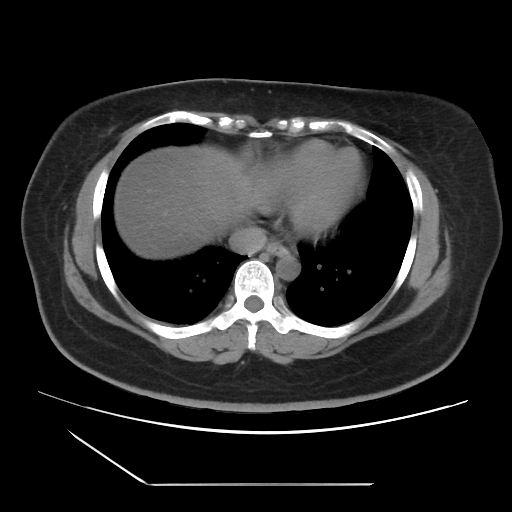 CT, abdomen/pelvis; axial view; soft-tissue window; 512x512 px; acquired on SOMATOM Force; scan has 15 labeled organs (counted over the whole 3D scan, not this slice; an organ is boxed only where this slice passes through it)
Each box given as x1,y1,x2,y2.
Organ bounding boxes:
- esophagus: x1=266, y1=242, x2=289, y2=256
- liver: x1=114, y1=144, x2=264, y2=259
- aorta: x1=276, y1=254, x2=300, y2=280
- inferior vena cava: x1=229, y1=226, x2=266, y2=254